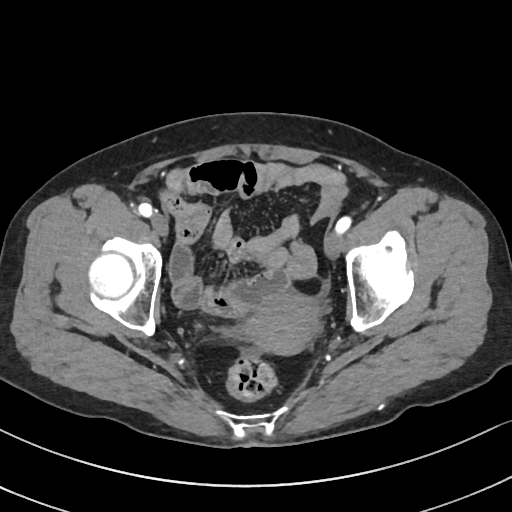 Computed tomography, abdomen; axial view; soft-tissue window; acquired on SOMATOM Force
{"organs":{"prostate/uterus":[246,292,318,355]}}